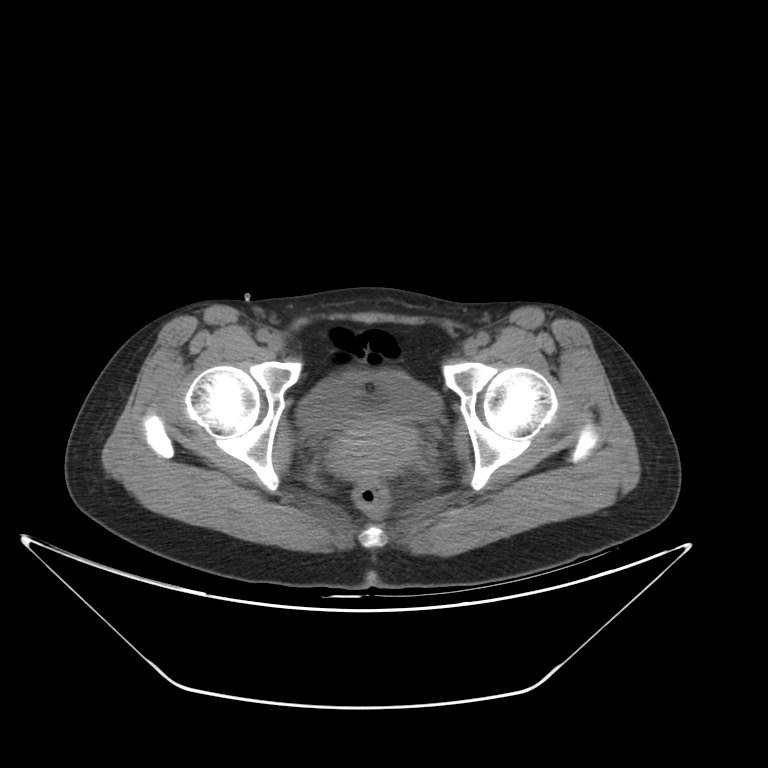 Abdominal CT; Axial slice 18/99; abdomen soft-tissue window; 43-year-old female patient; 15 organs annotated in this scan (that count is for the whole scan; organs this slice misses have no box)
Each box given as x1,y1,x2,y2.
Organ bounding boxes:
- bladder: x1=296, y1=370, x2=442, y2=432
- prostate/uterus: x1=324, y1=421, x2=419, y2=479